Abdominal CT — axial view — soft-tissue window — scan has 15 labeled organs (that count is for the whole scan; organs this slice misses have no box)
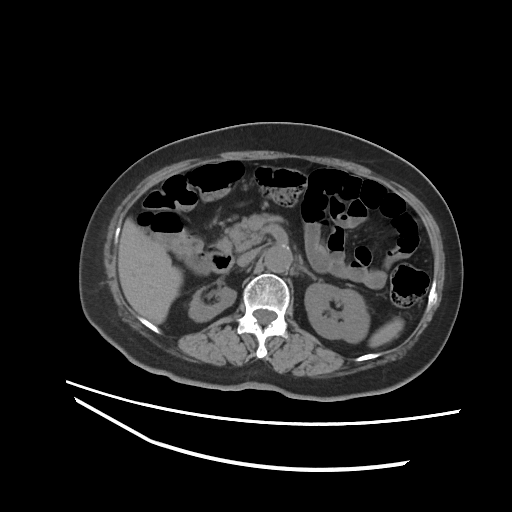 Organ boxes in pixel coordinates; each row gives the top-left (x1, y1) and bottom-right (x2, y2) corners.
| organ | x1 | y1 | x2 | y2 |
|---|---|---|---|---|
| duodenum | 207 | 238 | 233 | 272 |
| liver | 118 | 218 | 182 | 323 |
| aorta | 264 | 246 | 292 | 272 |
| spleen | 369 | 317 | 403 | 347 |
| pancreas | 226 | 213 | 280 | 251 |
| inferior vena cava | 237 | 248 | 260 | 266 |
| left adrenal gland | 301 | 266 | 315 | 279 |
| left kidney | 305 | 283 | 369 | 342 |
| right kidney | 188 | 287 | 236 | 321 |